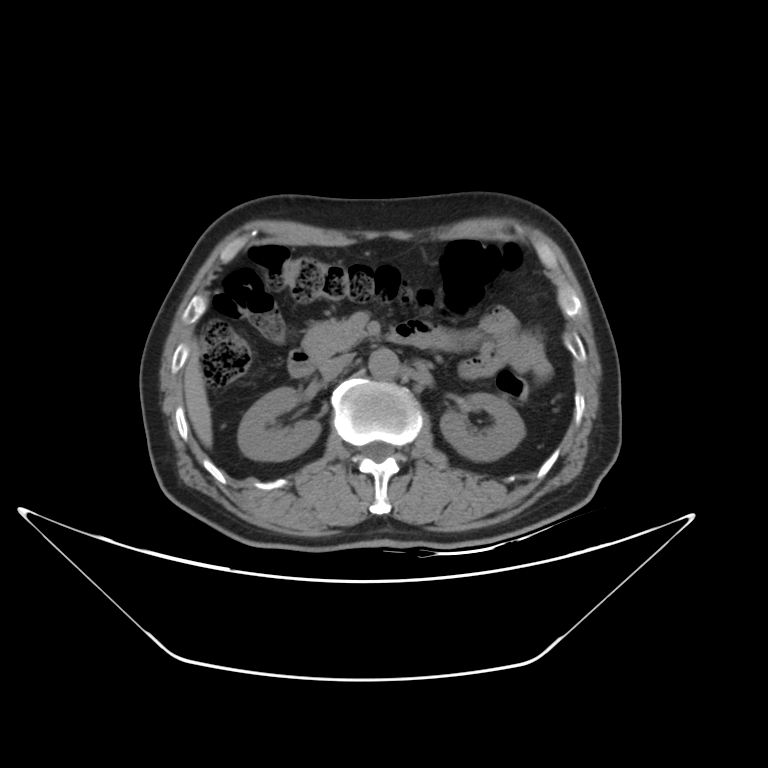 CT abdomen — axial view — soft-tissue window (W 400 / L 40) — 768x768 px — scan has 15 labeled organs (a whole-scan count: organs this slice does not pass through have no box)
<organs><organ name="right kidney" x1="239" y1="389" x2="322" y2="461"/><organ name="left kidney" x1="440" y1="391" x2="522" y2="461"/><organ name="liver" x1="184" y1="343" x2="213" y2="446"/><organ name="aorta" x1="368" y1="349" x2="397" y2="377"/><organ name="inferior vena cava" x1="321" y1="353" x2="354" y2="380"/><organ name="pancreas" x1="302" y1="320" x2="361" y2="366"/><organ name="duodenum" x1="288" y1="320" x2="436" y2="376"/></organs>